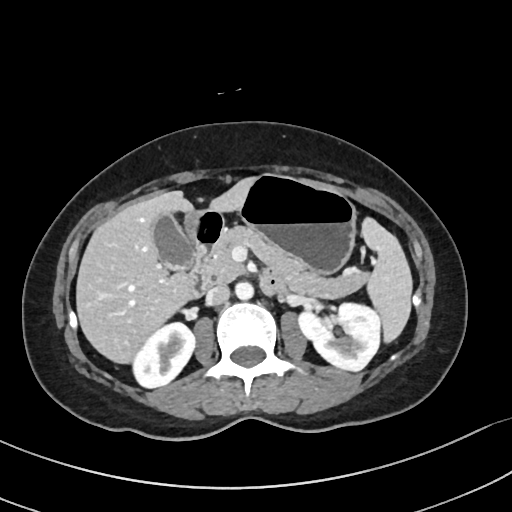

CT, abdomen/pelvis. axial view
Each box given as x1,y1,x2,y2.
gall bladder: x1=152, y1=211, x2=196, y2=273
inferior vena cava: x1=205, y1=285, x2=229, y2=305
pancreas: x1=199, y1=224, x2=368, y2=298
stomach: x1=185, y1=174, x2=355, y2=272
right kidney: x1=131, y1=323, x2=194, y2=387
spleen: x1=361, y1=218, x2=411, y2=344
left kidney: x1=296, y1=301, x2=381, y2=369
liver: x1=76, y1=179, x2=253, y2=362
duodenum: x1=185, y1=209, x2=287, y2=299
aorta: x1=234, y1=281, x2=253, y2=299